Abdominal CT; Axial slice 149/212; soft-tissue window (W 400 / L 40); 512x512 px
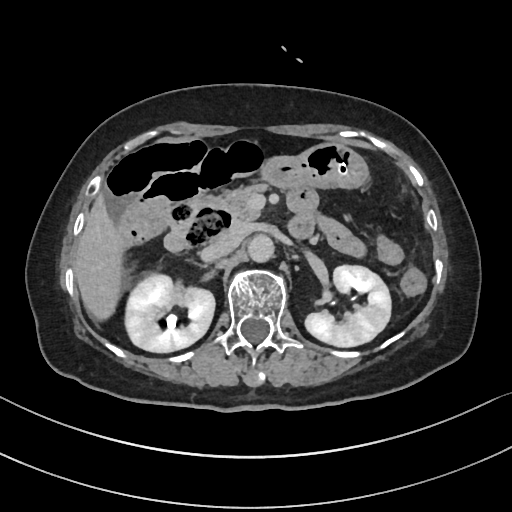

Boxes: x1:y1:x2:y2 in pixels. Labeled organs on this slice: left kidney at 305:265:390:346, pancreas at 190:185:263:224, liver at 73:194:126:320, stomach at 260:143:368:188, inferior vena cava at 202:228:244:260, duodenum at 164:204:310:252, right kidney at 124:273:214:352, aorta at 248:234:274:262.